CT abdomen — axial view — W/L 400/40 HU — 512x512 px — scan has 15 labeled organs (a whole-scan count: organs this slice does not pass through have no box)
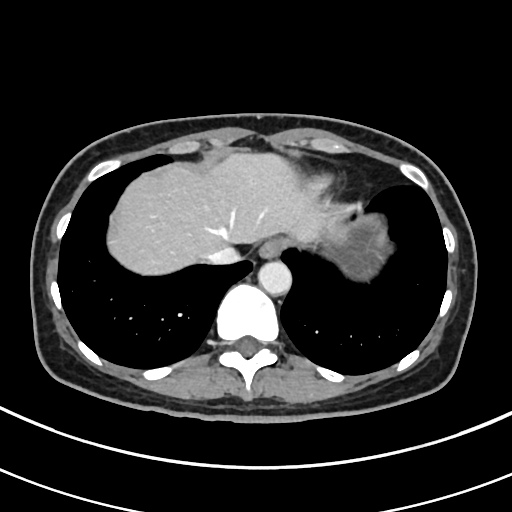 Boxes: x1 y1 x2 y2 (pixel coords, space-separated). The annotated organs in this slice are: esophagus at 258 239 282 259, liver at 109 154 326 274, stomach at 343 223 378 257, aorta at 259 261 292 296, inferior vena cava at 205 244 240 264.